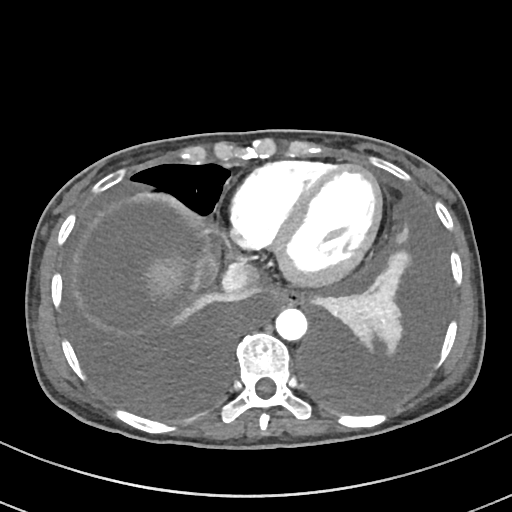 Abdominal CT — axial view — W/L 400/40 HU — 512x512 px
Bounding boxes in pixels, one row per box: x1, y1 is the top-left corner and x2, y2 the bottom-right.
| organ | x1 | y1 | x2 | y2 |
|---|---|---|---|---|
| esophagus | 268 | 288 | 301 | 307 |
| liver | 148 | 258 | 182 | 293 |
| aorta | 276 | 308 | 307 | 340 |
| inferior vena cava | 222 | 260 | 259 | 293 |